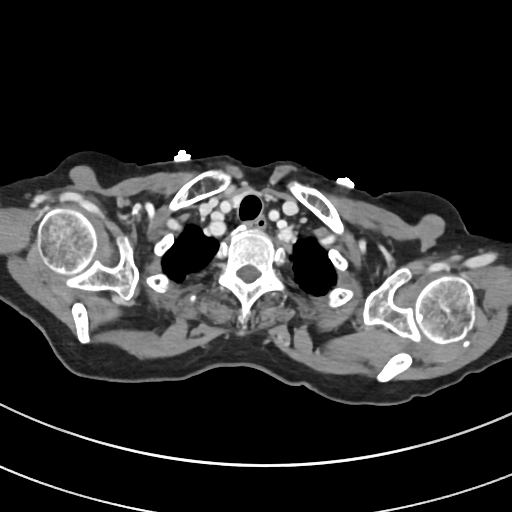
Abdominal CT reaching into the chest; this slice is in the chest — axial view — 15 organs annotated in this scan (that count is for the whole scan; organs this slice misses have no box)
At this level of the chest this dataset labels only the esophagus and the aorta, and each is boxed only where it is labeled; the heart and lungs are never labeled.
{"organs":{"esophagus":[252,217,266,229]}}